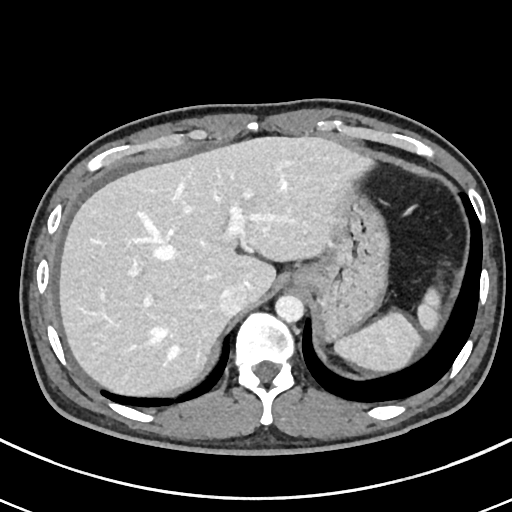 CT abdomen — axial view — 512x512 px
One row per box, in pixels: columns x1 and y1 give the top-left corner, x2 and y2 the bottom-right.
| organ | x1 | y1 | x2 | y2 |
|---|---|---|---|---|
| spleen | 335 | 288 | 440 | 371 |
| liver | 59 | 136 | 371 | 395 |
| aorta | 275 | 295 | 304 | 322 |
| inferior vena cava | 219 | 284 | 247 | 316 |
| stomach | 293 | 191 | 389 | 339 |